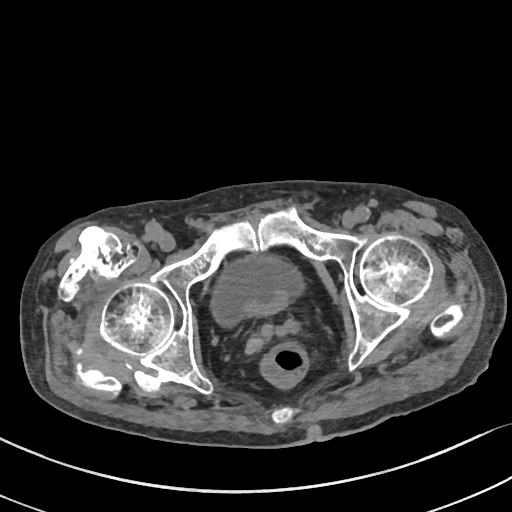

Computed tomography, abdomen · axial view · 512x512 px · scan has 15 labeled organs (counted over the whole 3D scan, not this slice; an organ is boxed only where this slice passes through it)
Bounding boxes as [x1, y1, x2, y2] in pixel coordinates.
Organ bounding boxes:
- bladder: [211, 257, 302, 323]
- prostate/uterus: [248, 291, 288, 314]